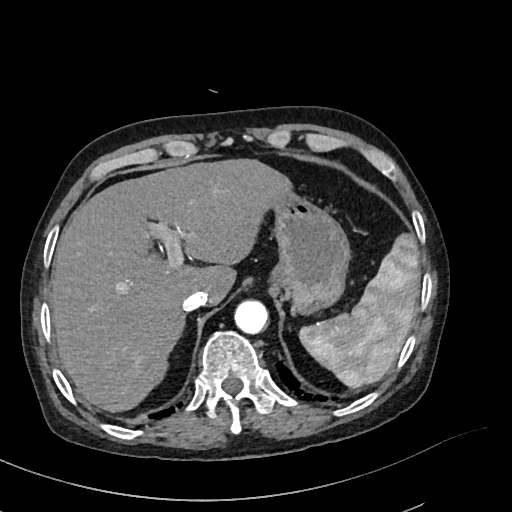
CT abdomen; axial view; 512x512 px; acquired on SOMATOM Force; 15 organs annotated in this scan (a whole-scan count: organs this slice does not pass through have no box)
Each box given as x1,y1,x2,y2.
spleen: x1=298, y1=235, x2=418, y2=386
liver: x1=51, y1=160, x2=294, y2=411
stomach: x1=273, y1=195, x2=350, y2=312
aorta: x1=234, y1=300, x2=268, y2=334
inferior vena cava: x1=183, y1=289, x2=208, y2=311